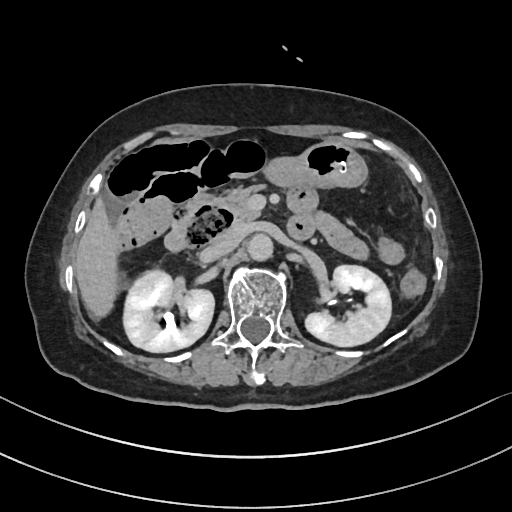 CT, abdomen/pelvis; Axial slice 148/212; soft-tissue window (W 400 / L 40); 15 organs annotated in this scan (counted over the whole 3D scan, not this slice; an organ is boxed only where this slice passes through it)
Each box given as x1,y1,x2,y2.
stomach: x1=260, y1=143, x2=368, y2=188
liver: x1=73, y1=196, x2=126, y2=317
inferior vena cava: x1=202, y1=228, x2=244, y2=260
right kidney: x1=122, y1=271, x2=214, y2=352
left kidney: x1=305, y1=265, x2=390, y2=346
aorta: x1=248, y1=234, x2=274, y2=262
duodenum: x1=164, y1=200, x2=310, y2=252
pancreas: x1=192, y1=185, x2=263, y2=224